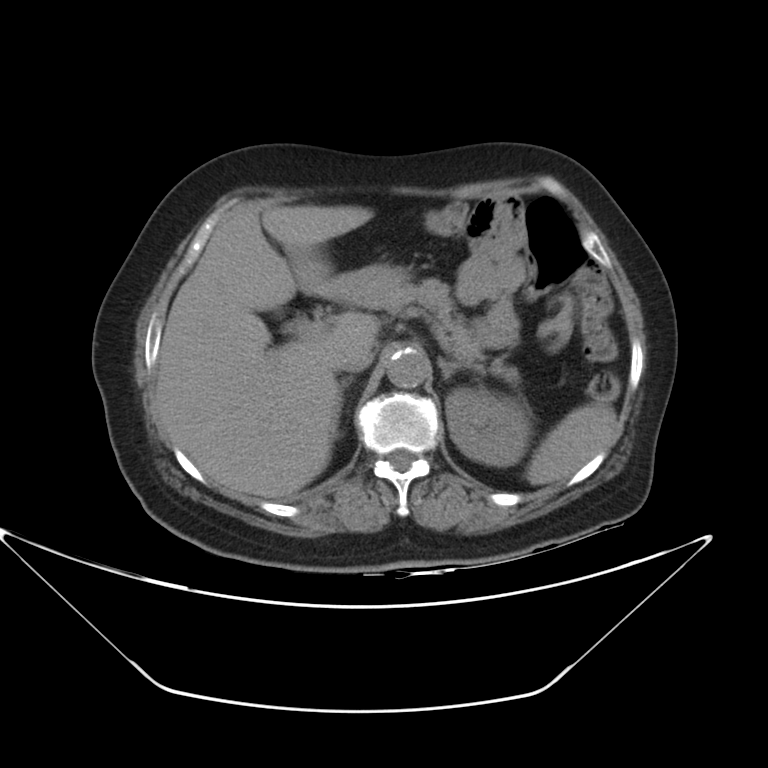
Computed tomography, abdomen. axial view. W/L 400/40 HU. 768x768 px. scan has 15 labeled organs (a whole-scan count: organs this slice does not pass through have no box)
Boxes: x1:y1:x2:y2 in pixels. 9 labeled organs on this slice — spleen at 525:403:617:485; left kidney at 446:387:529:467; liver at 155:205:378:498; stomach at 331:265:407:304; aorta at 387:349:427:387; inferior vena cava at 337:353:372:372; pancreas at 361:279:520:386; right adrenal gland at 328:376:355:443; left adrenal gland at 438:357:464:379.